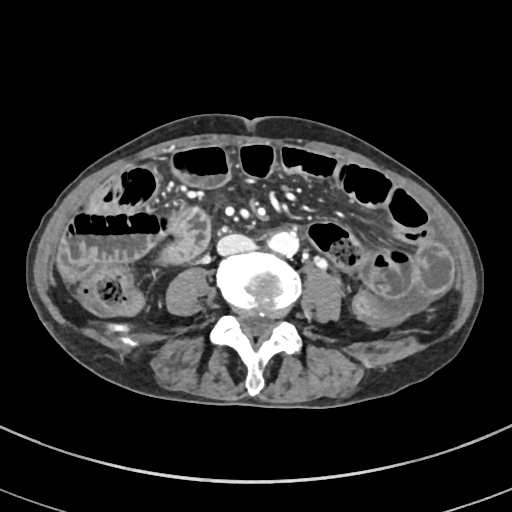

Computed tomography, abdomen; Axial slice 87/198; soft-tissue window (W 400 / L 40); 512x512 px
Boxes are (x1, y1, x2, y2) in pixels.
aorta: (268, 232, 298, 256)
inferior vena cava: (217, 234, 255, 255)